Abdominal CT — Axial slice 58/120
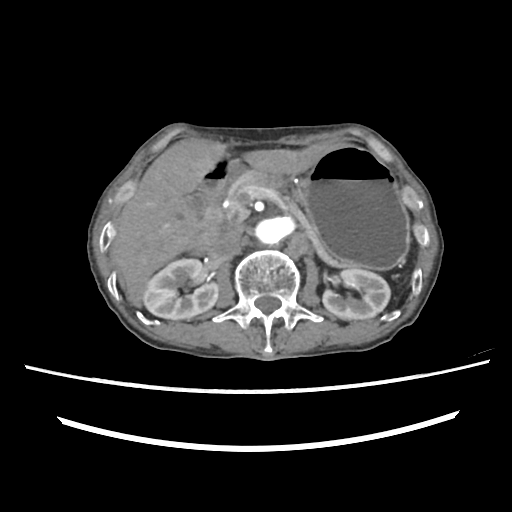 {"organs":{"right kidney":[143,258,218,319],"left kidney":[322,268,390,319],"gall bladder":[186,192,206,214],"liver":[110,140,329,306],"stomach":[302,145,409,268],"aorta":[254,216,295,245],"inferior vena cava":[210,223,243,257],"pancreas":[221,171,357,268],"duodenum":[189,156,232,254]}}